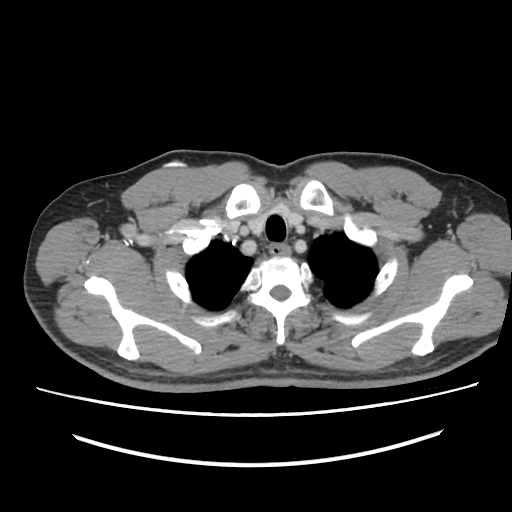
Chest-level slice from an abdominal CT that extends up into the chest. Axial slice 120/124. 58-year-old male patient. 14 organs annotated in this scan (that count is for the whole scan; organs this slice misses have no box)
At this level of the chest no structure but the esophagus and the aorta has a label in this dataset, and those two are boxed only where they are labeled.
{"organs":{"esophagus":[272,244,289,254]}}